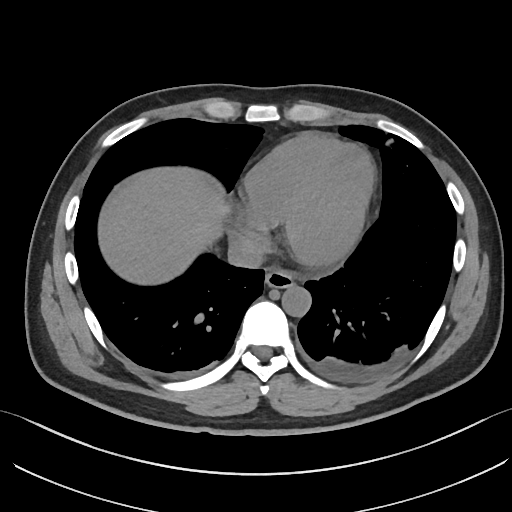 CT abdomen. axial plane, index 221. abdomen soft-tissue window. 512x512 px
Box edges are left/top/right/bottom in pixels. The annotated organs in this slice are: esophagus at left=265, top=267, right=294, bottom=287, liver at left=97, top=165, right=228, bottom=285, aorta at left=281, top=284, right=310, bottom=316, inferior vena cava at left=227, top=240, right=262, bottom=268.